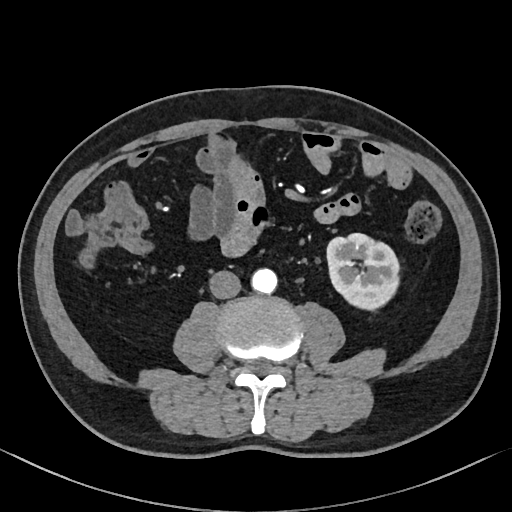

CT, abdomen/pelvis — axial view — soft-tissue window (W 400 / L 40) — 15 organs annotated in this scan (counted over the whole 3D scan, not this slice; an organ is boxed only where this slice passes through it)
Each box given as x1,y1,x2,y2.
left kidney: x1=326, y1=234, x2=399, y2=308
right kidney: x1=159, y1=315, x2=166, y2=320
inferior vena cava: x1=209, y1=270, x2=242, y2=298
aorta: x1=252, y1=269, x2=277, y2=294